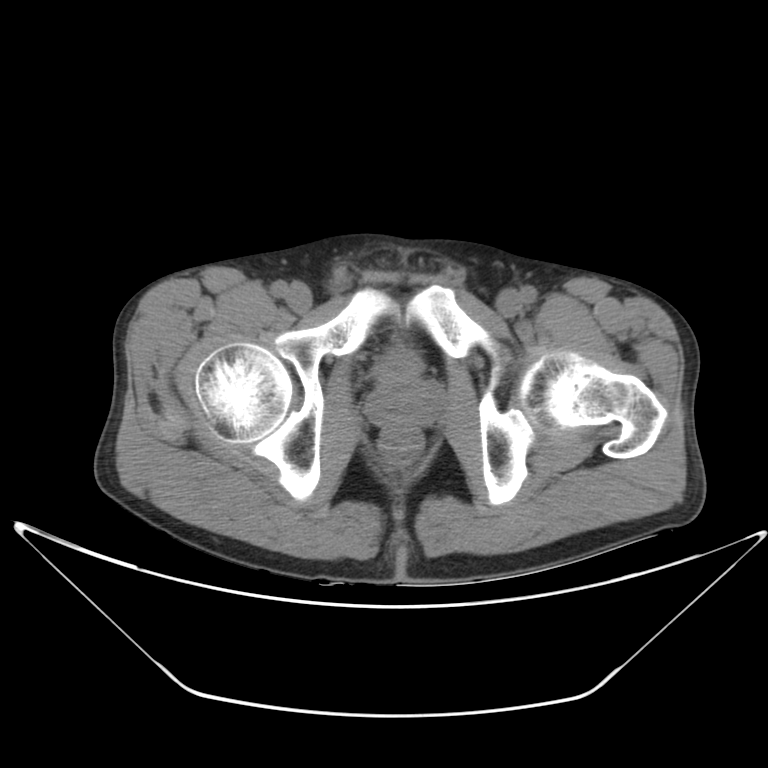 CT abdomen; axial plane, index 12; abdomen soft-tissue window; Brilliance16 scanner
Bounding boxes as [x1, y1, x2, y2] in pixel coordinates.
Organ bounding boxes:
- bladder: [371, 344, 422, 384]
- prostate/uterus: [365, 379, 441, 426]